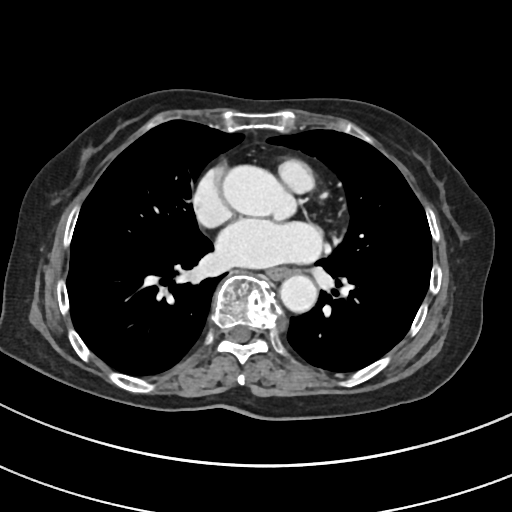

Lower-chest slice from an abdominal CT, just above the liver and spleen — axial view — soft-tissue window (W 400 / L 40) — 512x512 px
Of the structures in the chest, this dataset labels only the esophagus, the aorta and the inferior vena cava; the heart and lungs have no label.
Bounding boxes in pixels, one row per box: x1, y1 is the top-left corner and x2, y2 the bottom-right.
| organ | x1 | y1 | x2 | y2 |
|---|---|---|---|---|
| aorta | 279 | 275 | 317 | 312 |
| esophagus | 266 | 268 | 289 | 279 |